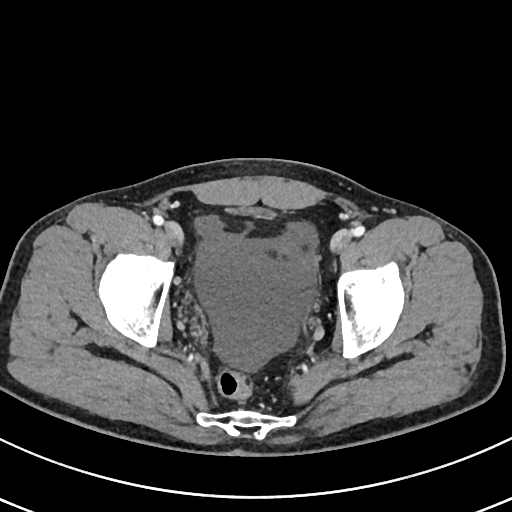

CT, abdomen/pelvis — axial view — SOMATOM Force scanner
Boxes are (x1, y1, x2, y2) in pixels. Labeled organs on this slice: bladder at (227, 206, 275, 216).